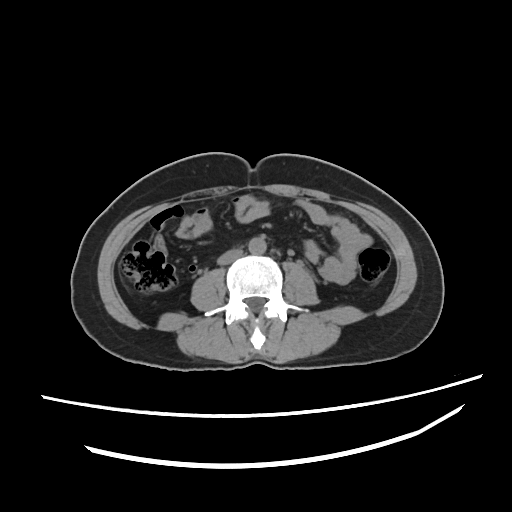

CT abdomen; axial view; abdomen soft-tissue window; 512x512 px; 43-year-old female patient
Bounding boxes as [x1, y1, x2, y2] in pixel coordinates.
aorta: [248, 238, 268, 255]
inferior vena cava: [216, 249, 242, 267]